CT abdomen · Axial slice 36/234 · abdomen soft-tissue window · 512x512 px · SOMATOM Force scanner · 15 organs annotated in this scan (counted over the whole 3D scan, not this slice; an organ is boxed only where this slice passes through it)
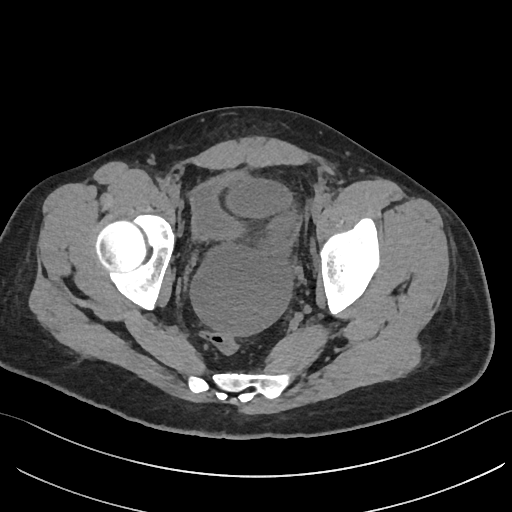 Boxes: x1:y1:x2:y2 in pixels.
bladder: 188:170:243:239